Abdominal CT · axial view · soft-tissue window (W 400 / L 40) · 512x512 px
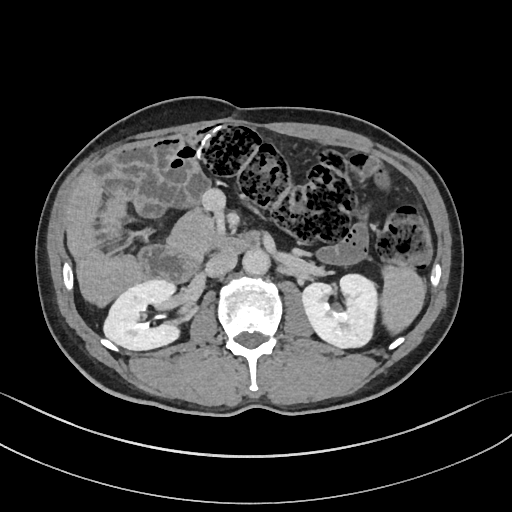
{"organs":{"spleen":[380,265,425,334],"right kidney":[104,280,179,350],"left kidney":[301,274,377,348],"aorta":[242,248,270,275],"inferior vena cava":[205,251,237,277],"pancreas":[168,211,220,254],"duodenum":[137,231,260,282]}}